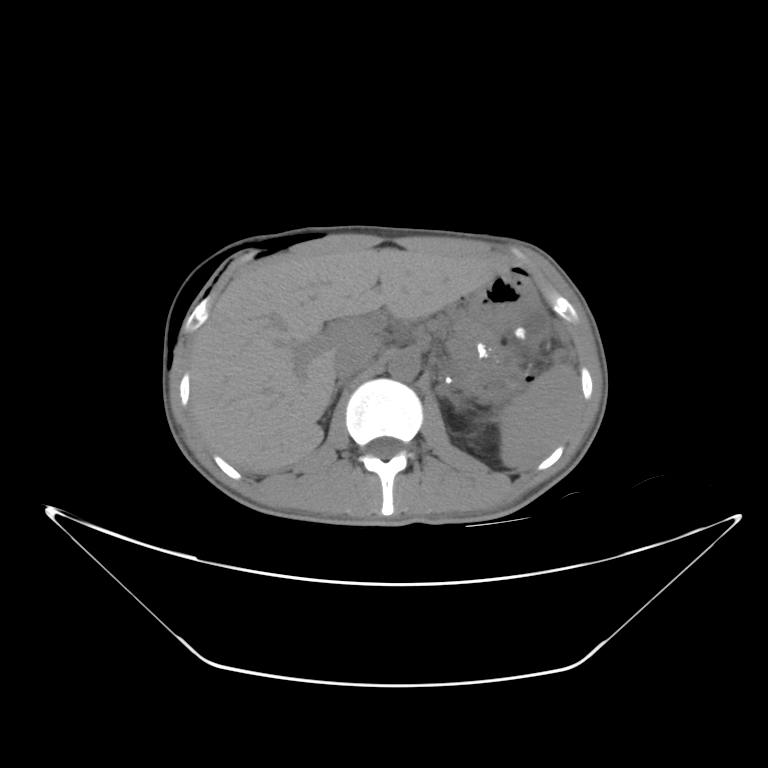 CT, abdomen/pelvis. axial view. soft-tissue window (W 400 / L 40). 768x768 px. 33-year-old male patient
One row per box, in pixels: columns x1 and y1 give the top-left corner, x2 and y2 the bottom-right.
| organ | x1 | y1 | x2 | y2 |
|---|---|---|---|---|
| spleen | 498 | 366 | 579 | 467 |
| liver | 190 | 247 | 511 | 475 |
| stomach | 466 | 272 | 536 | 330 |
| aorta | 387 | 354 | 418 | 382 |
| inferior vena cava | 329 | 336 | 379 | 376 |
| pancreas | 455 | 319 | 501 | 375 |
| right adrenal gland | 327 | 381 | 343 | 410 |